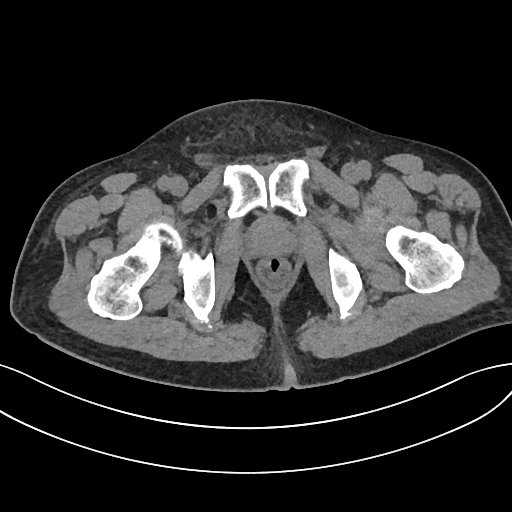
Abdominal CT. axial plane, index 11
<organs><organ name="prostate/uterus" x1="251" y1="219" x2="292" y2="254"/></organs>